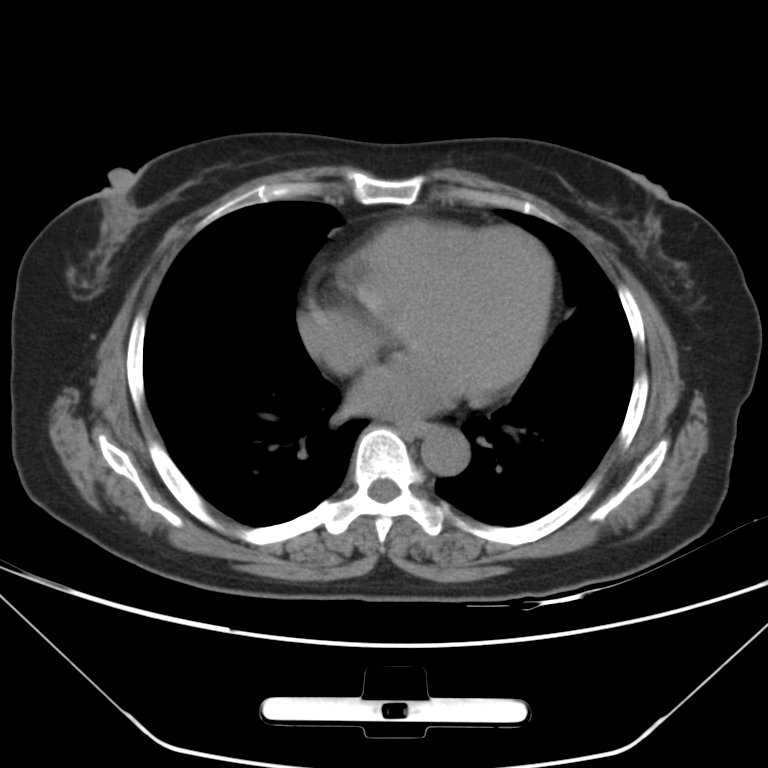

Abdominal CT; this slice is in the lower chest, just above the liver. axial plane, index 86. soft-tissue window. 40-year-old male patient. acquired on Brilliance16
No part of the heart or lungs is labeled in this dataset, so neither has a box here.
Boxes: x1:y1:x2:y2 in pixels.
esophagus: 398:420:430:436
aorta: 421:426:469:476